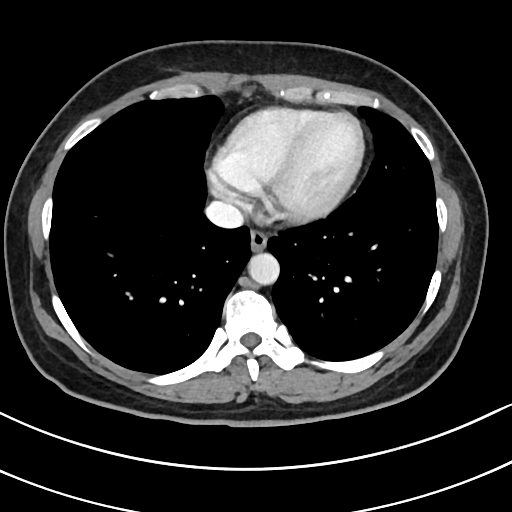

Lower-chest slice from an abdominal CT, just above the liver and spleen · Axial slice 200/206
Of the structures in the chest, this dataset labels only the esophagus, the aorta and the inferior vena cava; the heart and lungs have no label.
Each box given as x1,y1,x2,y2.
esophagus: x1=249, y1=230, x2=267, y2=251
aorta: x1=248, y1=253, x2=279, y2=285
inferior vena cava: x1=205, y1=201, x2=243, y2=228